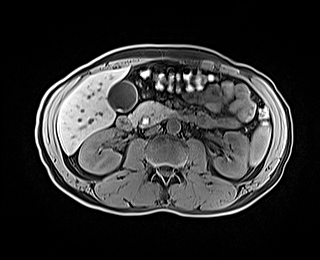

Abdominal MRI. axial view. Prisma scanner
Organ boxes in pixel coordinates; each row gives the top-left (x1, y1) and bottom-right (x2, y2) corners.
| organ | x1 | y1 | x2 | y2 |
|---|---|---|---|---|
| spleen | 249 | 125 | 270 | 165 |
| right kidney | 78 | 128 | 121 | 174 |
| left kidney | 211 | 131 | 248 | 177 |
| gall bladder | 107 | 81 | 136 | 110 |
| liver | 57 | 66 | 129 | 154 |
| aorta | 166 | 119 | 180 | 133 |
| inferior vena cava | 146 | 125 | 160 | 134 |
| pancreas | 128 | 101 | 179 | 125 |
| duodenum | 116 | 114 | 195 | 130 |